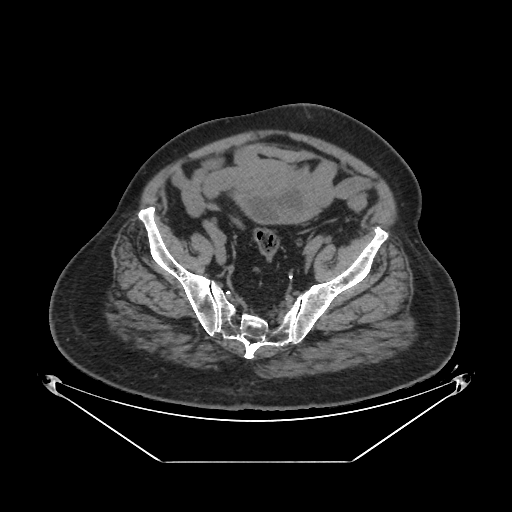
Abdominal CT — axial plane, index 86 — 512x512 px — 15 organs annotated in this scan (a whole-scan count: organs this slice does not pass through have no box)
Boxes: x1:y1:x2:y2 in pixels. 1 labeled organ on this slice — bladder at 237:182:318:223.